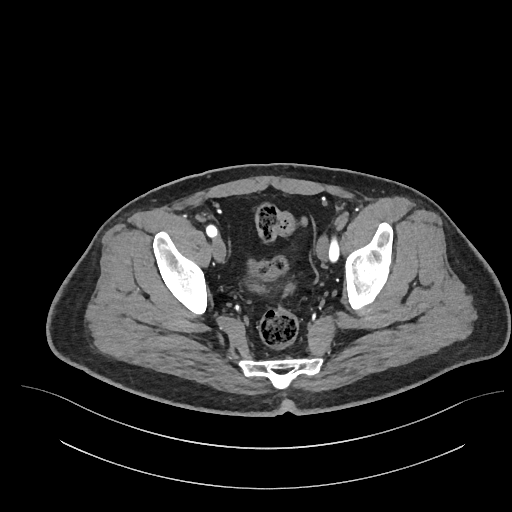

CT, abdomen/pelvis; axial plane, index 56; 512x512 px; scan has 15 labeled organs (that count is for the whole scan; organs this slice misses have no box)
Coordinates as <box>x1,y1,x2,y2</box> in pixels.
Organ bounding boxes:
- bladder: <box>249,284,266,291</box>